CT abdomen. axial view. soft-tissue window
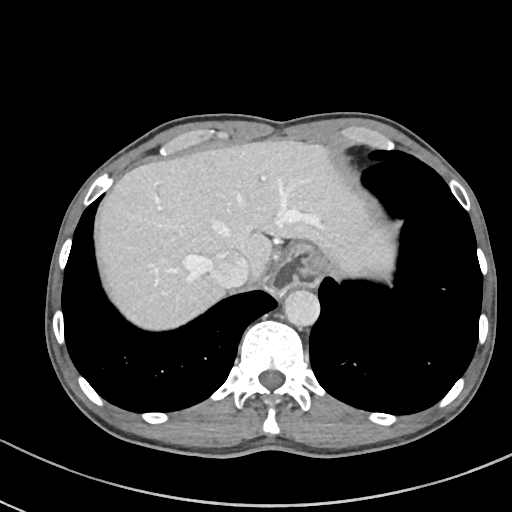
Box edges are left/top/right/bottom in pixels. The annotated organs in this slice are: stomach at left=272, top=242, right=326, bottom=294, aorta at left=283, top=288, right=319, bottom=326, liver at left=93, top=139, right=395, bottom=328, esophagus at left=320, top=269, right=321, bottom=273, inferior vena cava at left=208, top=251, right=249, bottom=289.